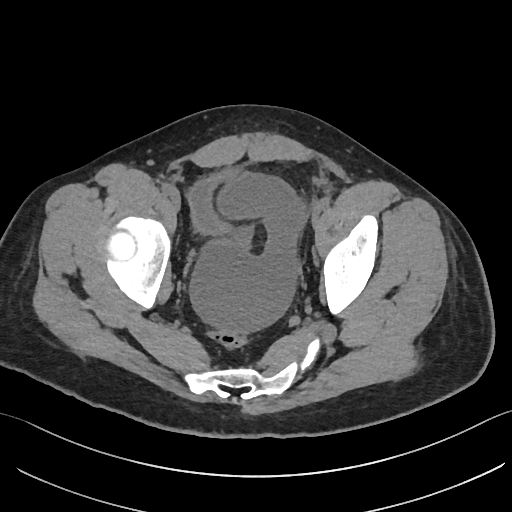 Computed tomography, abdomen · axial plane, index 38 · soft-tissue window (W 400 / L 40) · 512x512 px
Bounding boxes as [x1, y1, x2, y2] in pixel coordinates.
Organ bounding boxes:
- bladder: [190, 166, 238, 234]